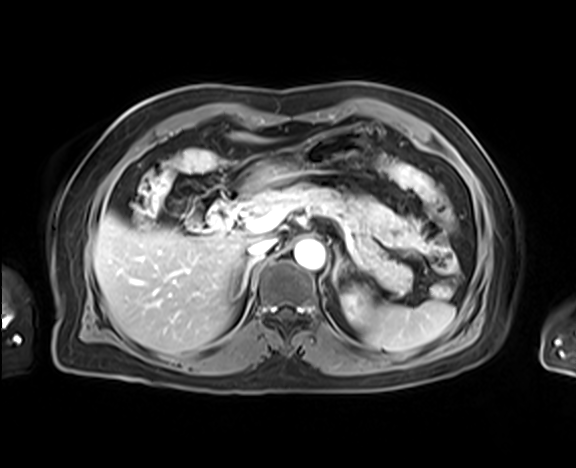

Magnetic resonance imaging, abdomen. axial plane, index 38
Box edges are left/top/right/bottom in pixels.
inferior vena cava: left=247, top=239, right=275, bottom=258
left kidney: left=341, top=288, right=369, bottom=323
right adrenal gland: left=234, top=259, right=255, bottom=298
aorta: left=294, top=239, right=324, bottom=270
duodenum: left=207, top=188, right=246, bottom=233
liver: left=93, top=133, right=278, bottom=354
spleen: left=363, top=300, right=455, bottom=351
left adrenal gland: left=333, top=244, right=345, bottom=287
stomach: left=243, top=142, right=355, bottom=194
pancreas: left=242, top=186, right=412, bottom=293